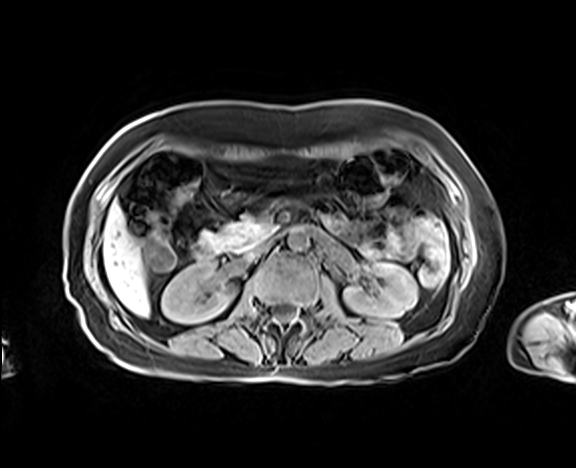 Abdominal MRI · axial view · percentile-normalized · 576x468 px
Box edges are left/top/right/bottom in pixels.
left kidney: left=344, top=262, right=417, bottom=317
pancreas: left=200, top=215, right=274, bottom=251
right kidney: left=161, top=263, right=235, bottom=323
liver: left=103, top=202, right=149, bottom=316
aorta: left=288, top=227, right=309, bottom=250
inferior vena cava: left=245, top=241, right=271, bottom=260
duodenum: left=192, top=241, right=216, bottom=261